Computed tomography, abdomen. axial view. 71-year-old male patient
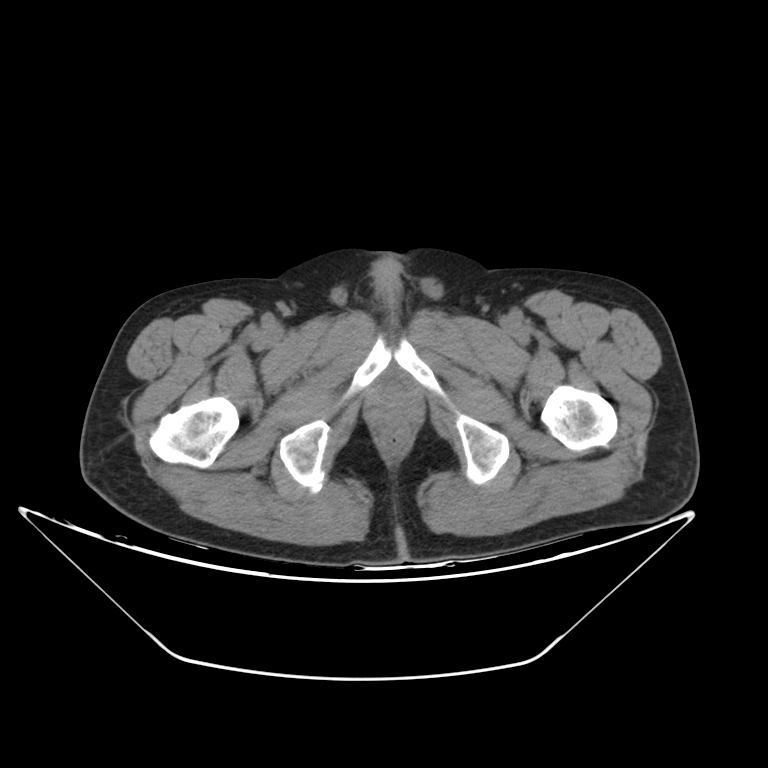

Boxes: x1:y1:x2:y2 in pixels. Labeled organs on this slice: prostate/uterus at 363:380:425:425.